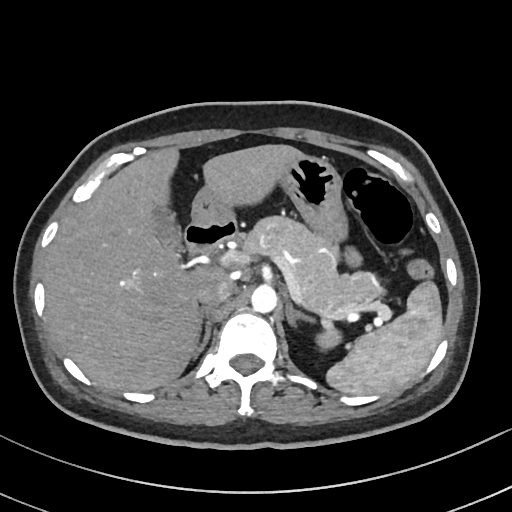

Computed tomography, abdomen. axial view. SOMATOM Force scanner
Coordinates as <box>x1,y1,x2,y2</box> in pixels. The annotated organs in this slice are: spleen at <box>326,281,443,395</box>, left kidney at <box>316,327,340,349</box>, gall bladder at <box>153,206,181,249</box>, liver at <box>44,144,303,391</box>, stomach at <box>192,155,347,241</box>, aorta at <box>251,285,277,312</box>, inferior vena cava at <box>196,279,233,306</box>, pancreas at <box>242,216,381,317</box>, right adrenal gland at <box>193,307,213,357</box>, left adrenal gland at <box>286,302,314,326</box>, duodenum at <box>184,219,238,255</box>.